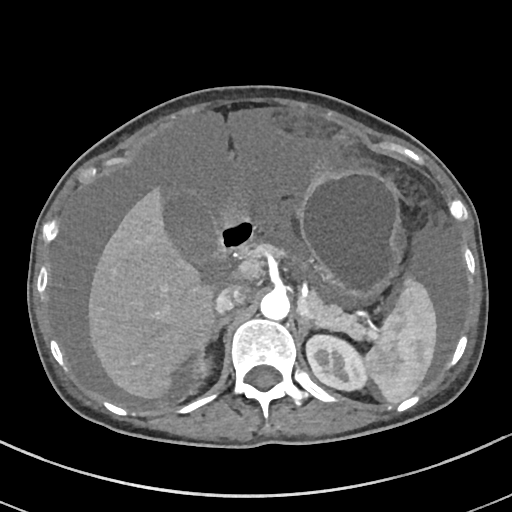 Computed tomography, abdomen · axial view
Each box given as x1,y1,x2,y2.
Organ bounding boxes:
- spleen: x1=362, y1=276, x2=436, y2=403
- right kidney: x1=195, y1=360, x2=205, y2=374
- left kidney: x1=307, y1=335, x2=366, y2=389
- gall bladder: x1=166, y1=194, x2=218, y2=265
- liver: x1=88, y1=185, x2=218, y2=399
- stomach: x1=298, y1=170, x2=401, y2=295
- aorta: x1=260, y1=289, x2=290, y2=320
- inferior vena cava: x1=215, y1=287, x2=246, y2=315
- pancreas: x1=307, y1=295, x2=343, y2=322
- right adrenal gland: x1=201, y1=316, x2=229, y2=359
- left adrenal gland: x1=299, y1=321, x2=312, y2=341
- duodenum: x1=218, y1=216, x2=253, y2=252